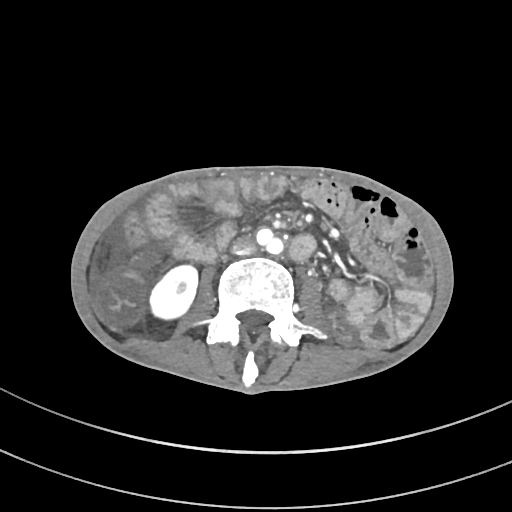
Abdominal CT · Axial slice 104/218
<organs><organ name="right kidney" x1="150" y1="265" x2="197" y2="319"/><organ name="inferior vena cava" x1="231" y1="237" x2="255" y2="254"/></organs>